CT abdomen · axial view · 52-year-old male patient · scan has 15 labeled organs (counted over the whole 3D scan, not this slice; an organ is boxed only where this slice passes through it)
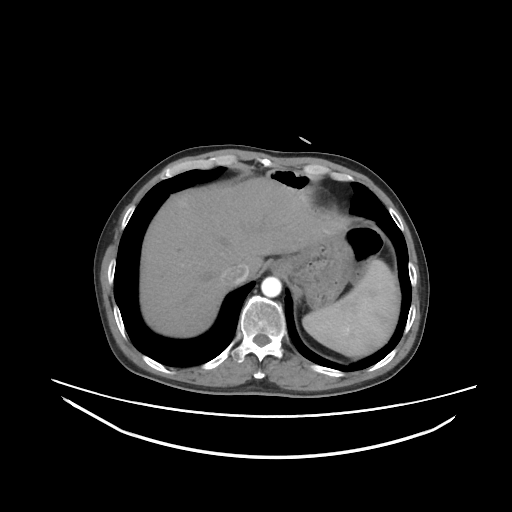 Boxes: x1 y1 x2 y2 (pixel coords, space-separated).
Organ bounding boxes:
- spleen: 302 259 400 356
- esophagus: 271 260 285 272
- liver: 140 174 325 337
- stomach: 282 232 357 308
- aorta: 261 276 281 297
- inferior vena cava: 222 263 248 285